CT abdomen — axial plane, index 56 — 15 organs annotated in this scan (that count is for the whole scan; organs this slice misses have no box)
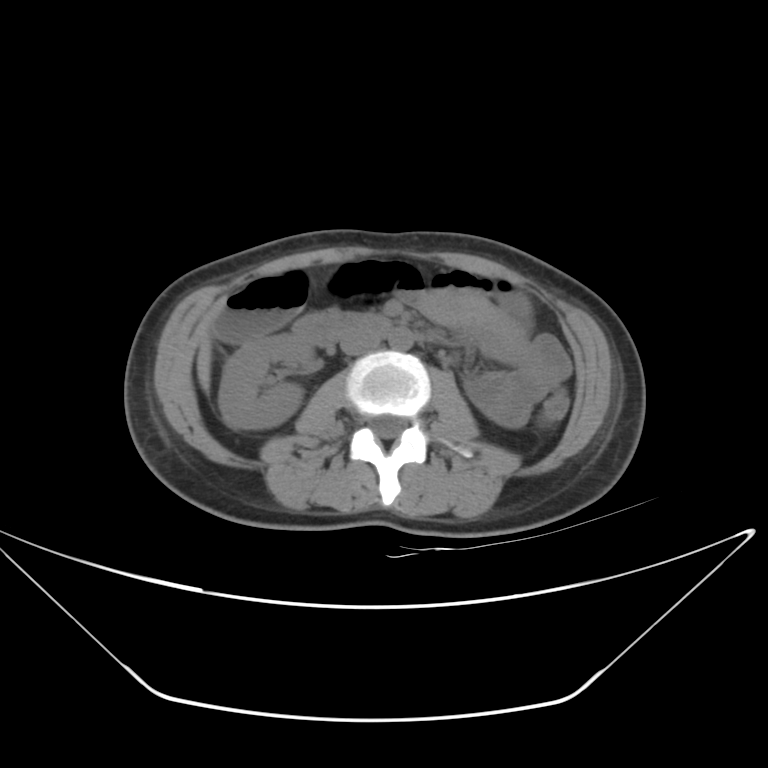

Each box given as x1,y1,x2,y2.
Organ bounding boxes:
- right kidney: x1=218, y1=333, x2=314, y2=428
- liver: x1=197, y1=337, x2=211, y2=392
- aorta: x1=388, y1=329, x2=412, y2=349
- inferior vena cava: x1=340, y1=331, x2=380, y2=355
- duodenum: x1=295, y1=314, x2=391, y2=344